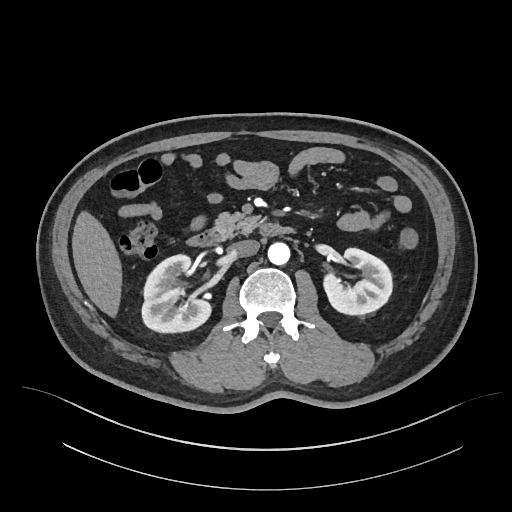 Abdominal CT; axial plane, index 155; soft-tissue window (W 400 / L 40); SOMATOM Force scanner; scan has 15 labeled organs (a whole-scan count: organs this slice does not pass through have no box)
Bounding boxes as [x1, y1, x2, y2] in pixel coordinates. 7 labeled organs on this slice — right kidney at [141, 255, 212, 333]; left kidney at [324, 247, 391, 315]; liver at [72, 209, 123, 318]; aorta at [267, 242, 290, 265]; inferior vena cava at [230, 239, 259, 256]; pancreas at [213, 211, 263, 239]; duodenum at [185, 223, 297, 246].